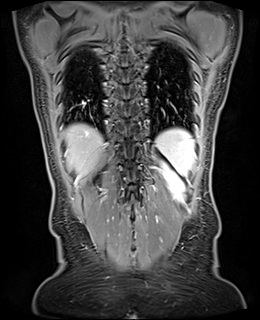
MRI, abdomen; coronal plane, index 34; percentile-normalized; 260x320 px; Prisma scanner
One row per box, in pixels: columns x1 and y1 give the top-left corner, x2 and y2 the bottom-right.
| organ | x1 | y1 | x2 | y2 |
|---|---|---|---|---|
| spleen | 156 | 129 | 195 | 175 |
| left kidney | 165 | 168 | 183 | 196 |
| liver | 65 | 124 | 103 | 175 |